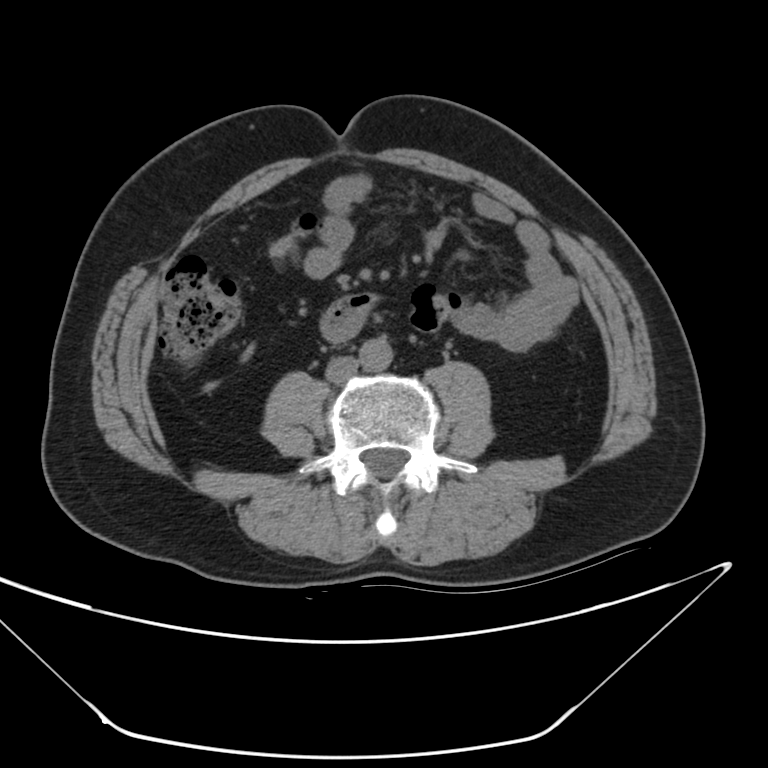
CT abdomen. axial view. 50-year-old male patient. 14 organs annotated in this scan (a whole-scan count: organs this slice does not pass through have no box)
{"organs":{"aorta":[359,339,392,372],"duodenum":[323,293,373,342],"inferior vena cava":[328,357,356,383]}}